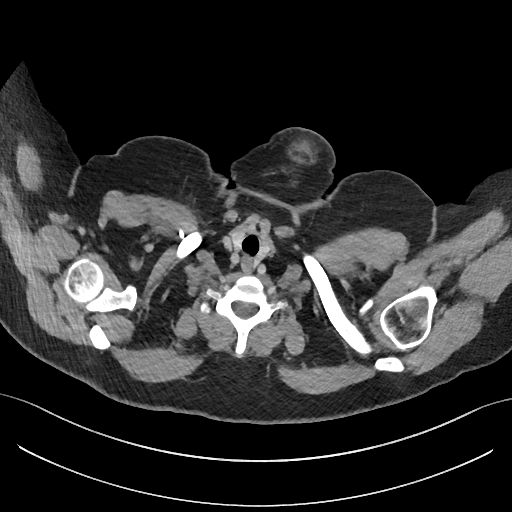
CT of the abdomen extending into the chest, slice through the chest — Axial slice 299/305 — soft-tissue window
At this level of the chest this dataset labels only the esophagus and the aorta, and each is boxed only where it is labeled; the heart and lungs are never labeled.
<organs><organ name="esophagus" x1="241" y1="257" x2="252" y2="272"/></organs>